Abdominal CT reaching into the chest; this slice is in the chest · axial view · 512x512 px · 58-year-old male patient · Aquilion ONE scanner
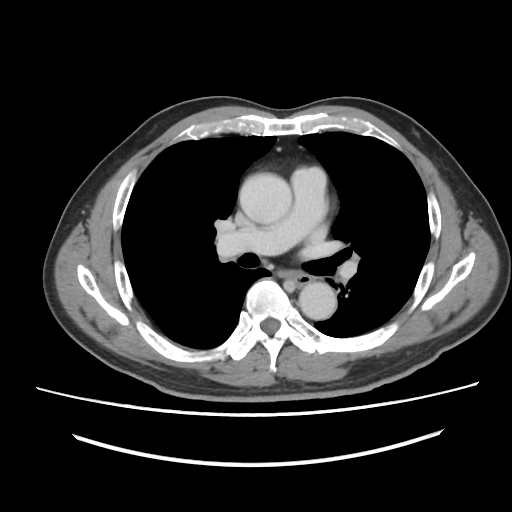 At this level of the chest no structure but the esophagus and the aorta has a label in this dataset, and those two are boxed only where they are labeled.
Boxes: x1 y1 x2 y2 (pixel coords, space-separated).
Organ bounding boxes:
- esophagus: 291 273 311 286
- aorta: 239 173 291 224
- aorta: 299 282 336 319